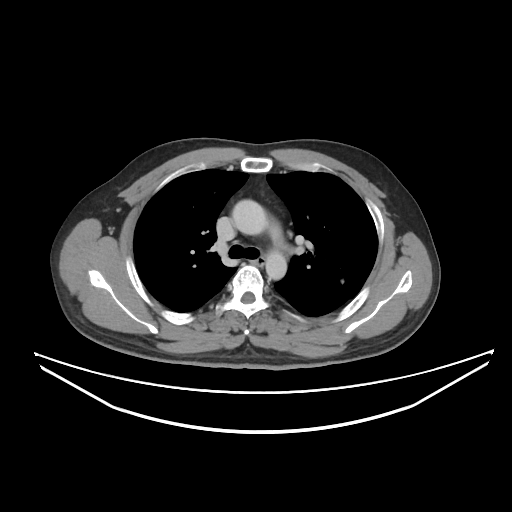
CT of the abdomen extending into the chest, slice through the chest — axial plane, index 110 — soft-tissue window, W/L 400/40 — 15 organs annotated in this scan (counted over the whole 3D scan, not this slice; an organ is boxed only where this slice passes through it)
At this level of the chest this dataset labels only the esophagus and the aorta, and each is boxed only where it is labeled; the heart and lungs are never labeled.
{"organs":{"esophagus":[249,257,265,265],"aorta":[[232,199,267,235],[265,251,286,279]]}}